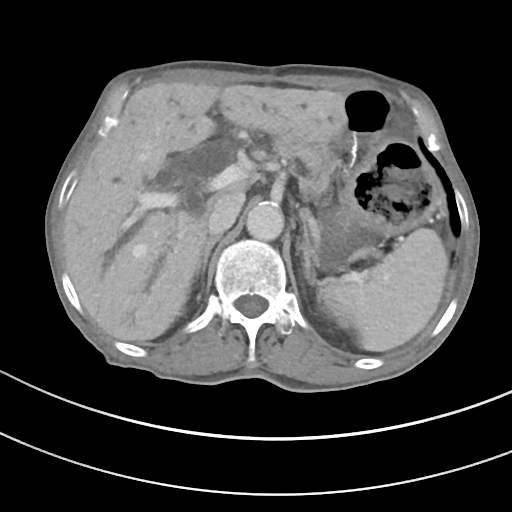

CT, abdomen/pelvis. Axial slice 64/122. 512x512 px. SOMATOM Force scanner
<organs><organ name="spleen" x1="318" y1="228" x2="448" y2="351"/><organ name="gall bladder" x1="183" y1="187" x2="206" y2="217"/><organ name="liver" x1="65" y1="82" x2="348" y2="340"/><organ name="stomach" x1="330" y1="140" x2="439" y2="236"/><organ name="aorta" x1="246" y1="202" x2="283" y2="241"/><organ name="inferior vena cava" x1="207" y1="192" x2="245" y2="235"/><organ name="pancreas" x1="273" y1="137" x2="338" y2="201"/><organ name="right adrenal gland" x1="196" y1="235" x2="219" y2="275"/><organ name="left adrenal gland" x1="298" y1="227" x2="314" y2="281"/></organs>